CT abdomen. axial view. soft-tissue window
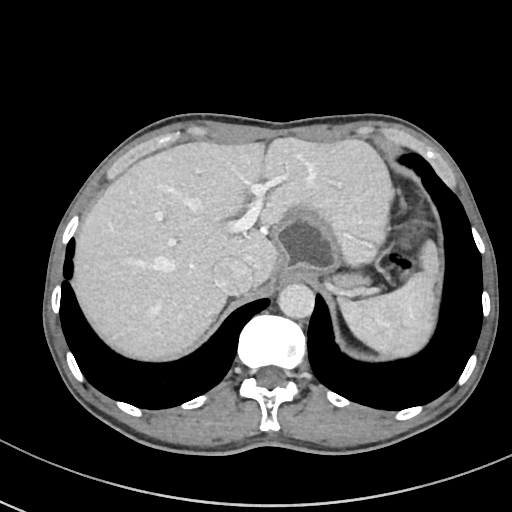 Box edges are left/top/right/bottom in pixels.
spleen: left=337, top=272, right=435, bottom=357
liver: left=76, top=136, right=439, bottom=357
stomach: left=273, top=208, right=339, bottom=283
aorta: left=278, top=283, right=315, bottom=319
inferior vena cava: left=212, top=257, right=252, bottom=294
pancreas: left=332, top=273, right=369, bottom=289